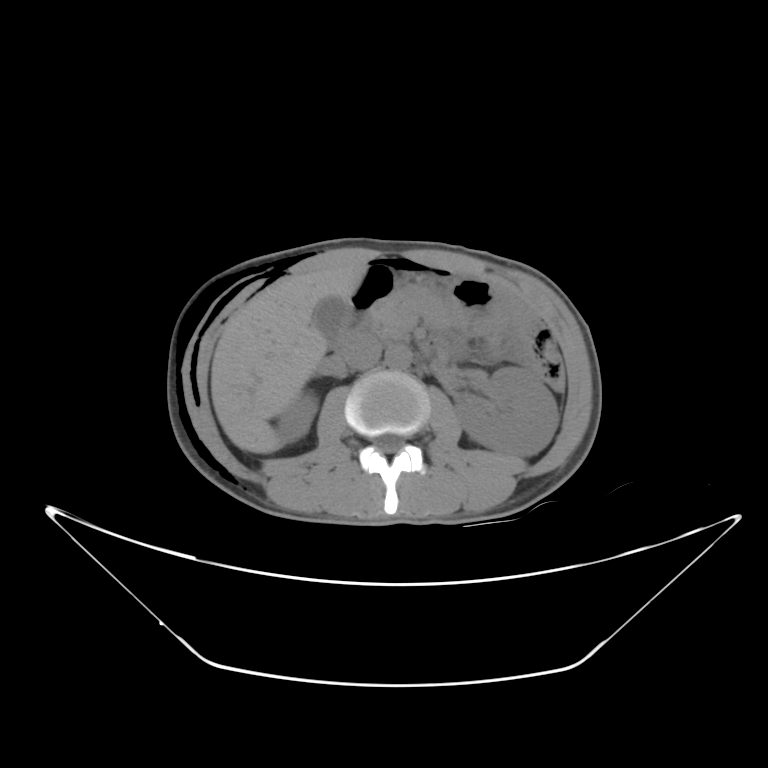
Computed tomography, abdomen; axial view; soft-tissue window (W 400 / L 40); 33-year-old male patient
<organs><organ name="spleen" x1="474" y1="442" x2="536" y2="457"/><organ name="right kidney" x1="281" y1="392" x2="315" y2="437"/><organ name="left kidney" x1="452" y1="367" x2="558" y2="457"/><organ name="gall bladder" x1="309" y1="295" x2="354" y2="342"/><organ name="liver" x1="210" y1="263" x2="364" y2="450"/><organ name="stomach" x1="351" y1="260" x2="495" y2="316"/><organ name="aorta" x1="385" y1="347" x2="412" y2="370"/><organ name="inferior vena cava" x1="341" y1="334" x2="379" y2="367"/><organ name="pancreas" x1="370" y1="283" x2="449" y2="338"/></organs>